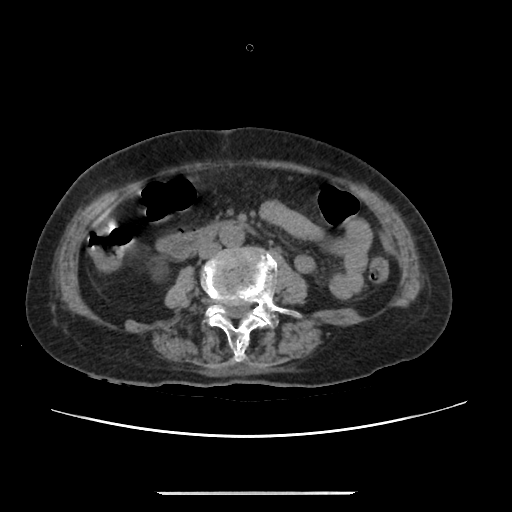 Abdominal CT; axial view; SOMATOM Force scanner; scan has 14 labeled organs (that count is for the whole scan; organs this slice misses have no box)
<organs><organ name="aorta" x1="220" y1="223" x2="245" y2="246"/><organ name="inferior vena cava" x1="198" y1="242" x2="220" y2="258"/><organ name="duodenum" x1="159" y1="226" x2="216" y2="258"/></organs>